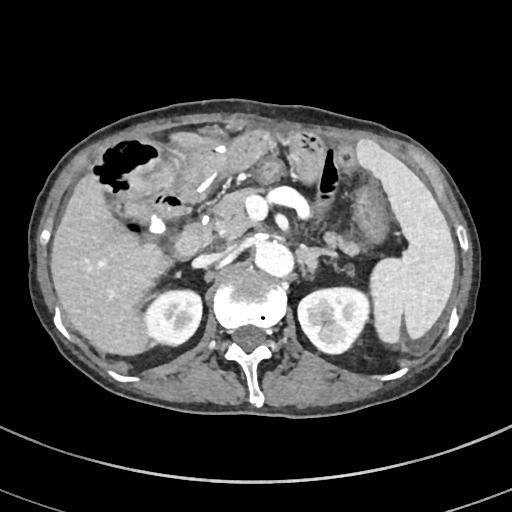
Abdominal CT; axial plane, index 132
Boxes: x1 y1 x2 y2 (pixel coords, space-separated).
pancreas: 202 188 358 255
gall bladder: 146 215 166 235
aorta: 254 241 292 275
inferior vena cava: 192 251 228 267
left kidney: 298 285 371 354
right kidney: 145 291 202 345
liver: 51 133 215 354
duodenum: 171 223 206 260
left adrenal gland: 301 246 336 273
spleen: 357 140 455 342